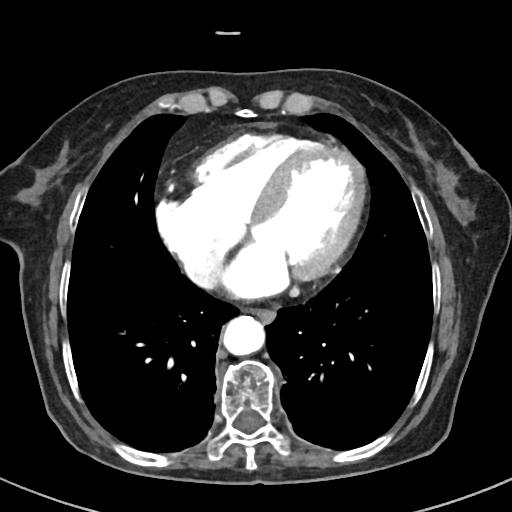 CT of the abdomen reaching into the lower chest, slice just above the liver and spleen. axial plane, index 190. W/L 400/40 HU. SOMATOM Force scanner
Of the structures in the chest, this dataset labels only the esophagus, the aorta and the inferior vena cava; the heart and lungs have no label.
Boxes: x1 y1 x2 y2 (pixel coords, space-separated).
Organ bounding boxes:
- esophagus: 250 309 274 320
- aorta: 223 316 264 355
- inferior vena cava: 186 254 219 287